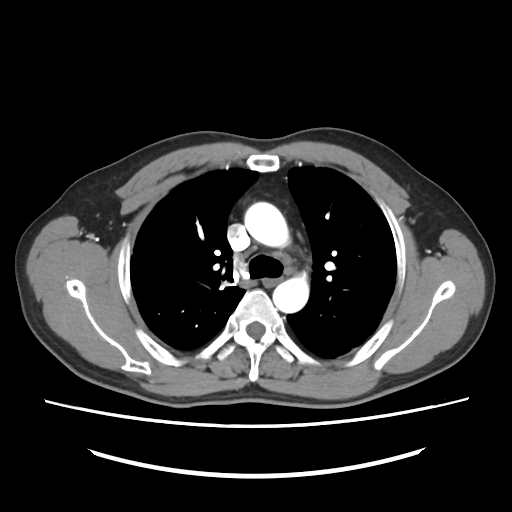 Chest-level slice from an abdominal CT that extends up into the chest — axial view — soft-tissue window, W/L 400/40 — Aquilion ONE scanner
On a slice this high in the chest, this dataset labels only the esophagus and the aorta, and each is boxed only where it is labeled; the heart, lungs and other chest structures are not labeled. Boxes are (x1, y1, x2, y2) in pixels. Labeled organs on this slice: esophagus at (261, 278, 280, 287), aorta at (244, 202, 289, 247), aorta at (272, 274, 308, 312).